MRI, abdomen — coronal acquisition — percentile-normalized
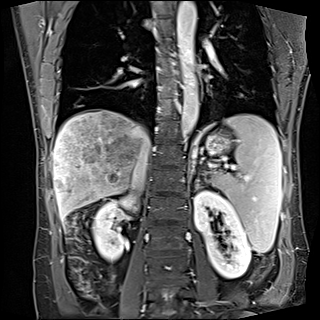 Boxes: x1 y1 x2 y2 (pixel coords, space-separated).
inferior vena cava: 131 154 148 189
right kidney: 93 196 137 260
esophagus: 175 64 179 79
left adrenal gland: 194 177 201 191
aorta: 177 1 198 136
spleen: 212 114 281 253
stomach: 206 133 229 153
left kidney: 194 190 251 278
liver: 53 109 150 220